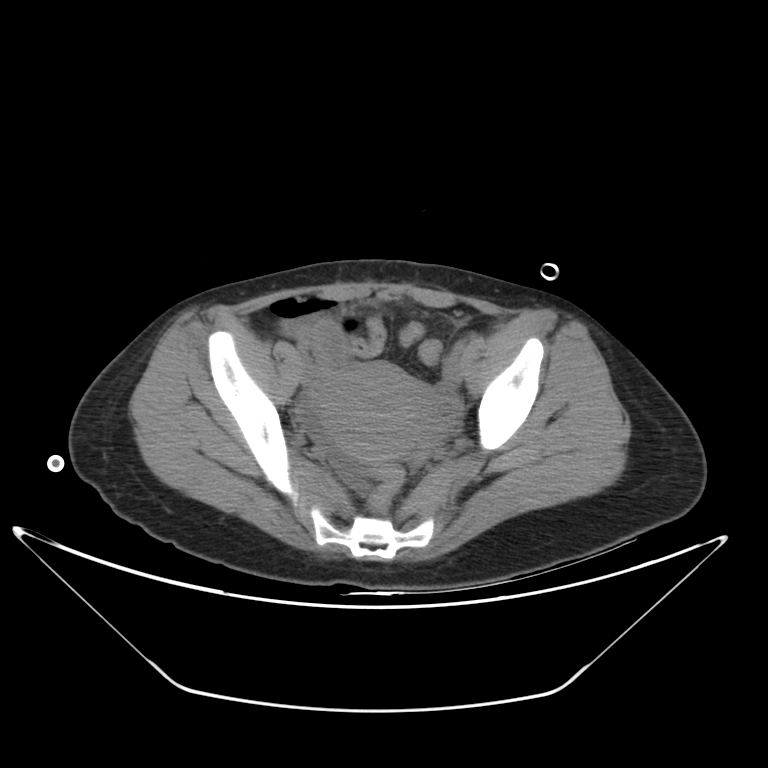

CT abdomen — axial plane, index 24 — W/L 400/40 HU
Bounding boxes in pixels, one row per box: x1, y1 is the top-left corner and x2, y2 the bottom-right.
| organ | x1 | y1 | x2 | y2 |
|---|---|---|---|---|
| prostate/uterus | 317 | 361 | 435 | 457 |